Abdominal CT; axial view; 512x512 px
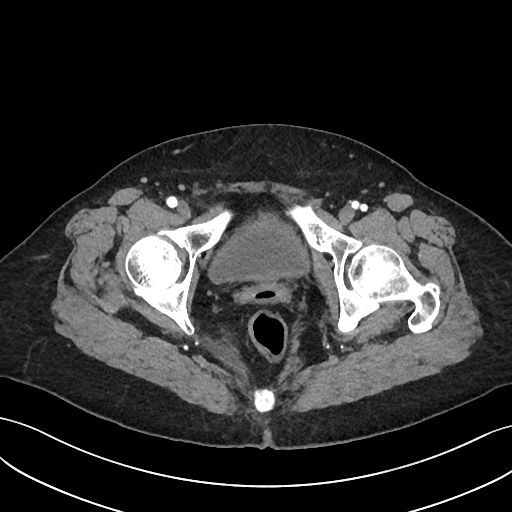
Box edges are left/top/right/bottom in pixels. The annotated organs in this slice are: bladder at left=209, top=216, right=308, bottom=282.